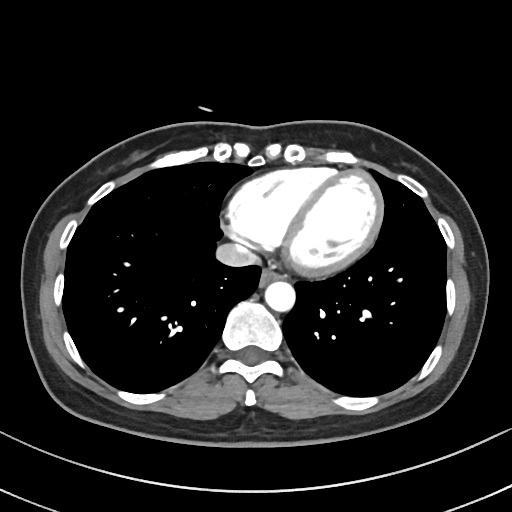
Lower-chest slice from an abdominal CT, just above the liver and spleen · axial plane, index 222
The heart and lungs are never labeled in this dataset, so they have no box on this slice.
One row per box, in pixels: columns x1 and y1 give the top-left corner, x2 and y2 the bottom-right.
| organ | x1 | y1 | x2 | y2 |
|---|---|---|---|---|
| esophagus | 259 | 270 | 283 | 287 |
| inferior vena cava | 217 | 243 | 259 | 266 |
| aorta | 265 | 282 | 295 | 312 |